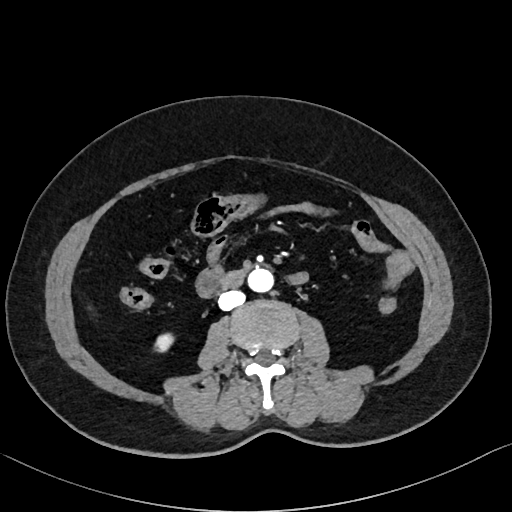
Computed tomography, abdomen. axial plane, index 118. acquired on SOMATOM Force
Each box given as x1,y1,x2,y2.
right kidney: x1=154, y1=333, x2=173, y2=352
aorta: x1=248, y1=268, x2=273, y2=292
inferior vena cava: x1=218, y1=290, x2=245, y2=310
duodenum: x1=220, y1=269, x2=248, y2=287